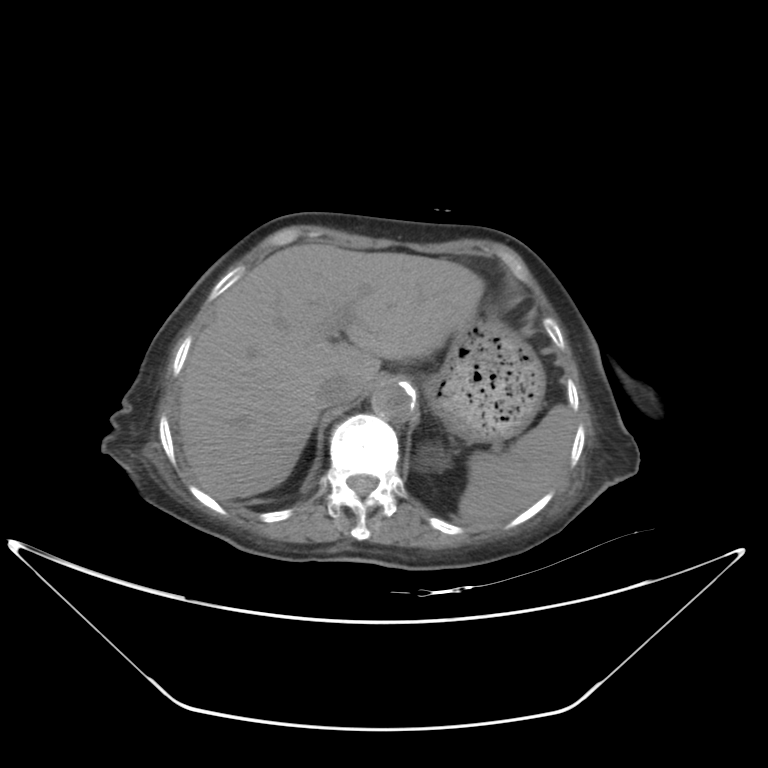 Computed tomography, abdomen · axial view · abdomen soft-tissue window · 768x768 px · female patient aged 90 or older
Bounding boxes in pixels, one row per box: x1, y1 is the top-left corner and x2, y2 the bottom-right.
| organ | x1 | y1 | x2 | y2 |
|---|---|---|---|---|
| inferior vena cava | 315 | 374 | 353 | 406 |
| liver | 177 | 243 | 482 | 500 |
| spleen | 459 | 405 | 575 | 524 |
| aorta | 370 | 378 | 415 | 422 |
| stomach | 423 | 294 | 545 | 442 |
| left kidney | 414 | 442 | 449 | 471 |